Computed tomography, abdomen — Axial slice 19/85 — 512x512 px — 50-year-old female patient
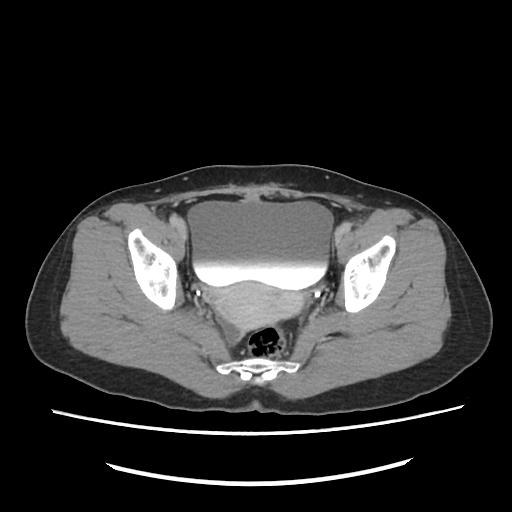 Box edges are left/top/right/bottom in pixels. 2 labeled organs on this slice — bladder at left=188, top=201, right=334, bottom=289; prostate/uterus at left=205, top=283, right=301, bottom=341.